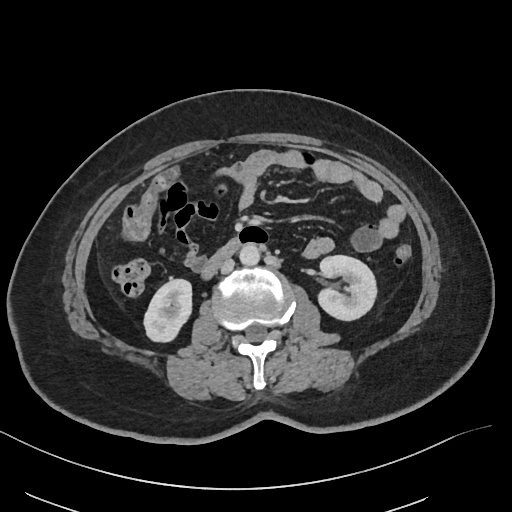 Computed tomography, abdomen; axial view; 512x512 px
Boxes: x1 y1 x2 y2 (pixel coords, space-separated).
Organ bounding boxes:
- right kidney: 144 279 191 342
- left kidney: 318 255 376 320
- aorta: 239 244 260 266
- inferior vena cava: 220 258 234 273
- duodenum: 201 237 242 279